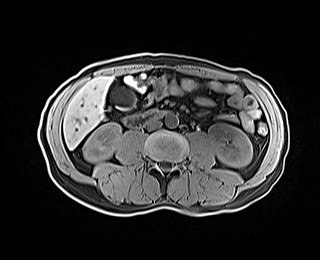 Abdominal MR. axial view. 1st–99th percentile window. 320x260 px. scan has 13 labeled organs (that count is for the whole scan; organs this slice misses have no box)
<organs><organ name="left kidney" x1="208" y1="123" x2="252" y2="167"/><organ name="inferior vena cava" x1="146" y1="118" x2="161" y2="130"/><organ name="aorta" x1="165" y1="114" x2="178" y2="127"/><organ name="duodenum" x1="124" y1="110" x2="163" y2="128"/><organ name="liver" x1="63" y1="77" x2="112" y2="149"/><organ name="right kidney" x1="83" y1="123" x2="121" y2="162"/><organ name="gall bladder" x1="110" y1="89" x2="135" y2="109"/></organs>